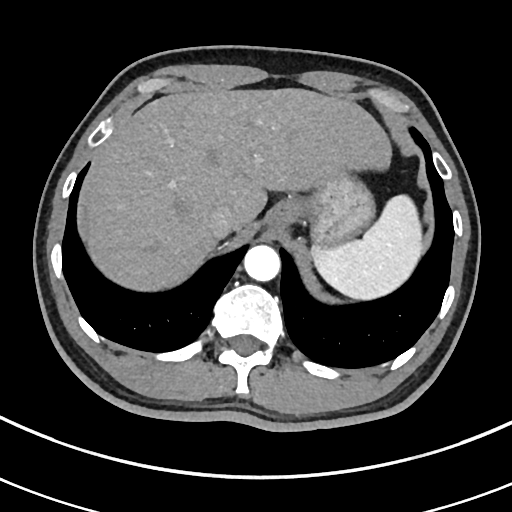
Abdominal CT · axial plane, index 170 · scan has 15 labeled organs (that count is for the whole scan; organs this slice misses have no box)
<organs><organ name="inferior vena cava" x1="207" y1="205" x2="234" y2="238"/><organ name="spleen" x1="313" y1="195" x2="424" y2="299"/><organ name="liver" x1="86" y1="88" x2="390" y2="291"/><organ name="stomach" x1="266" y1="173" x2="374" y2="247"/><organ name="aorta" x1="243" y1="245" x2="280" y2="281"/></organs>